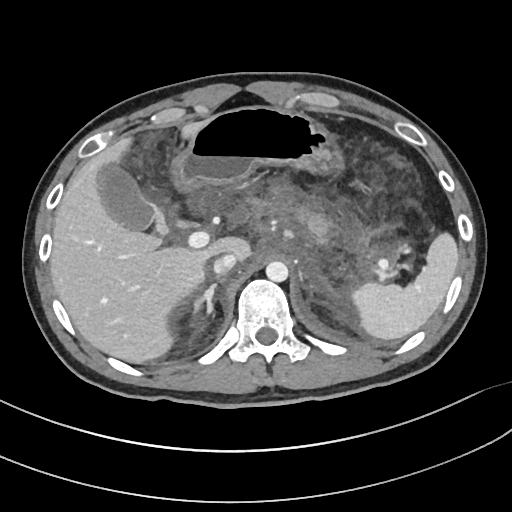 Computed tomography, abdomen; axial view; soft-tissue window (W 400 / L 40); 512x512 px; SOMATOM Force scanner; 15 organs annotated in this scan (counted over the whole 3D scan, not this slice; an organ is boxed only where this slice passes through it)
Coordinates as <box>x1,y1,x2,y2</box> in pixels. The annotated organs in this slice are: spleen at <box>351,233,458,339</box>, gall bladder at <box>97,163,167,233</box>, liver at <box>50,121,251,363</box>, stomach at <box>171,106,338,192</box>, aorta at <box>265,261,288,282</box>, inferior vena cava at <box>213,253,237,275</box>, pancreas at <box>282,200,328,236</box>, right adrenal gland at <box>193,278,219,314</box>.